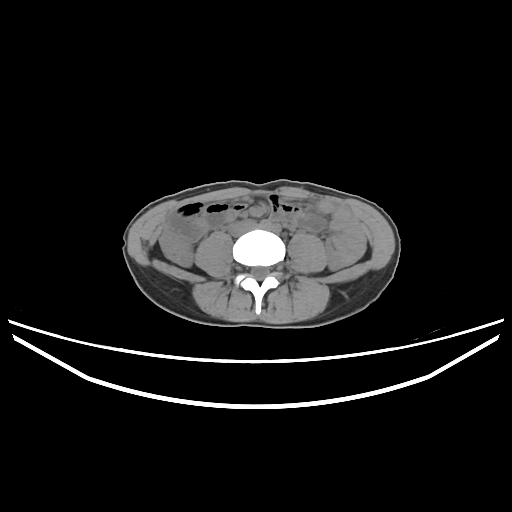

Computed tomography, abdomen — axial view — scan has 15 labeled organs (counted over the whole 3D scan, not this slice; an organ is boxed only where this slice passes through it)
Boxes: x1 y1 x2 y2 (pixel coords, space-separated).
inferior vena cava: 229 220 258 236